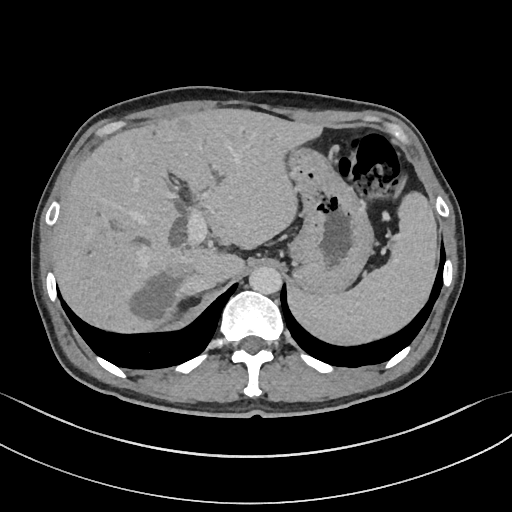

Abdominal CT · axial view · abdomen soft-tissue window · 14 organs annotated in this scan (counted over the whole 3D scan, not this slice; an organ is boxed only where this slice passes through it)
Boxes are (x1, y1, x2, y2) in pixels.
stomach: (291, 150, 372, 295)
liver: (52, 109, 323, 332)
spleen: (288, 191, 437, 347)
aorta: (249, 266, 281, 294)
inferior vena cava: (185, 272, 220, 295)